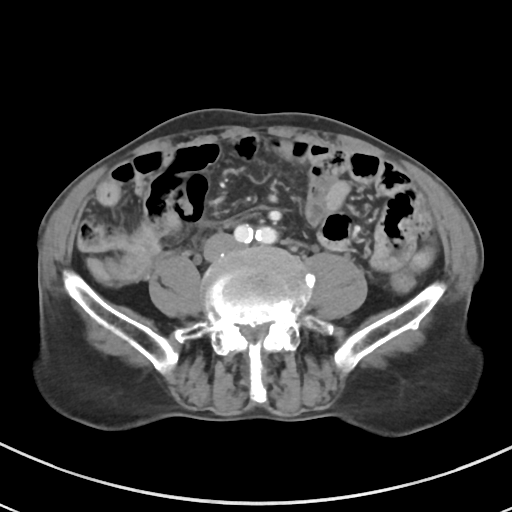
Computed tomography, abdomen. axial view. 512x512 px. 15 organs annotated in this scan (a whole-scan count: organs this slice does not pass through have no box)
Bounding boxes as [x1, y1, x2, y2] in pixel coordinates.
inferior vena cava: [205, 233, 236, 258]